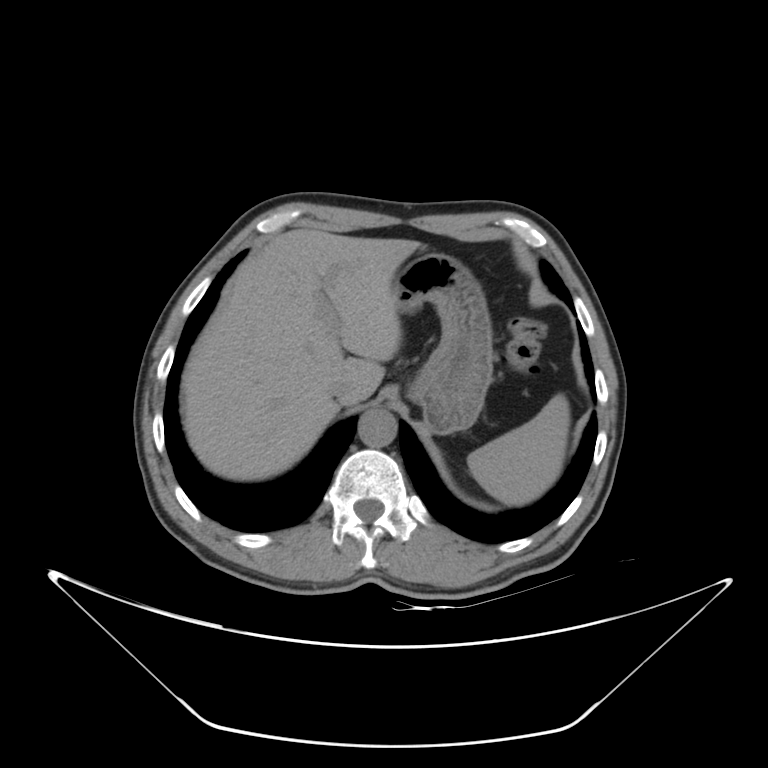 Computed tomography, abdomen — axial view — abdomen soft-tissue window — 59-year-old male patient — 15 organs annotated in this scan (a whole-scan count: organs this slice does not pass through have no box)
<organs><organ name="inferior vena cava" x1="329" y1="376" x2="360" y2="404"/><organ name="spleen" x1="467" y1="393" x2="569" y2="505"/><organ name="stomach" x1="393" y1="252" x2="493" y2="434"/><organ name="aorta" x1="358" y1="408" x2="397" y2="447"/><organ name="liver" x1="181" y1="229" x2="419" y2="481"/></organs>